CT abdomen; axial view; 41-year-old male patient
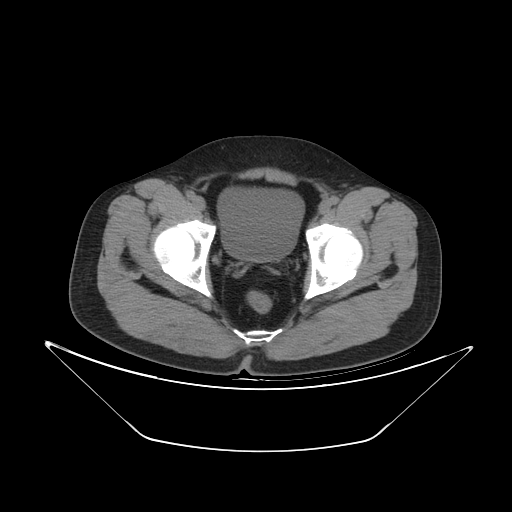 Bounding boxes in pixels, one row per box: x1, y1 is the top-left corner and x2, y2 the bottom-right.
| organ | x1 | y1 | x2 | y2 |
|---|---|---|---|---|
| bladder | 217 | 187 | 304 | 261 |